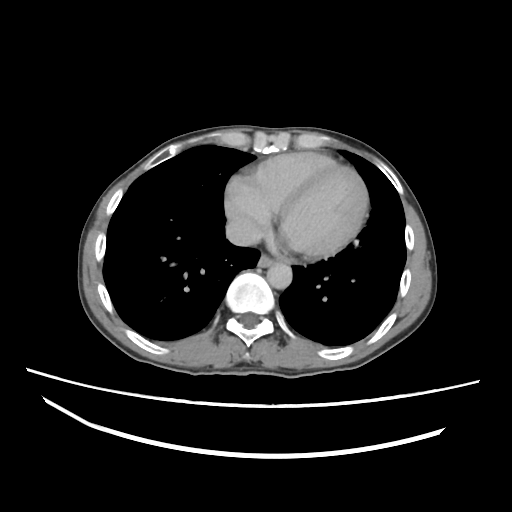

CT of the abdomen reaching into the lower chest, slice just above the liver and spleen. Axial slice 99/101. 15 organs annotated in this scan (that count is for the whole scan; organs this slice misses have no box)
The heart and lungs are never labeled in this dataset, so they have no box on this slice.
Bounding boxes in pixels, one row per box: x1, y1 is the top-left corner and x2, y2 the bottom-right.
| organ | x1 | y1 | x2 | y2 |
|---|---|---|---|---|
| esophagus | 258 | 254 | 275 | 266 |
| aorta | 266 | 261 | 292 | 289 |
| inferior vena cava | 226 | 217 | 259 | 245 |